CT, abdomen/pelvis · axial view · soft-tissue window · SOMATOM Force scanner
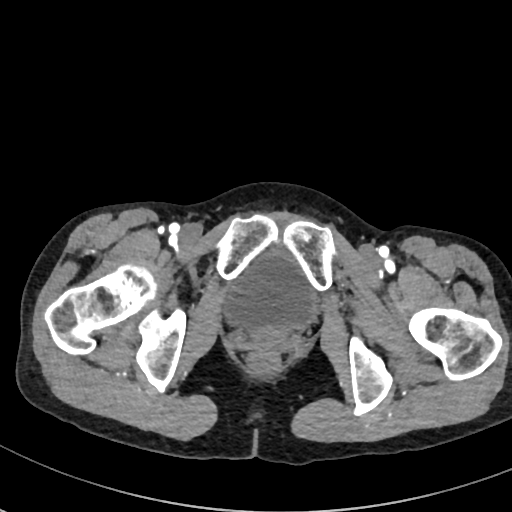

{"organs":{"bladder":[223,245,320,334]}}